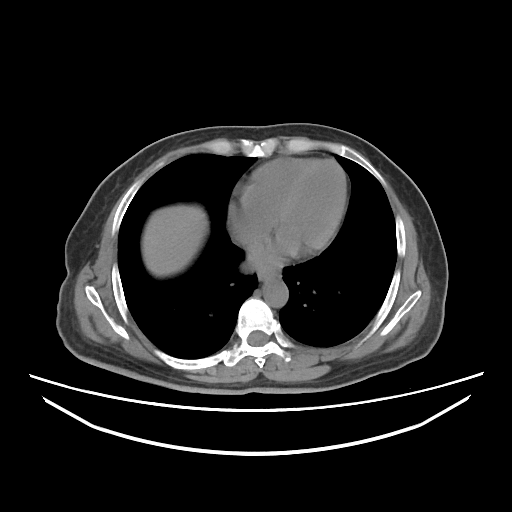
Computed tomography, abdomen · axial view · soft-tissue window (W 400 / L 40) · Aquilion ONE scanner · scan has 15 labeled organs (counted over the whole 3D scan, not this slice; an organ is boxed only where this slice passes through it)
{"organs":{"esophagus":[259,266,279,280],"liver":[141,204,208,276],"aorta":[262,277,288,307]}}